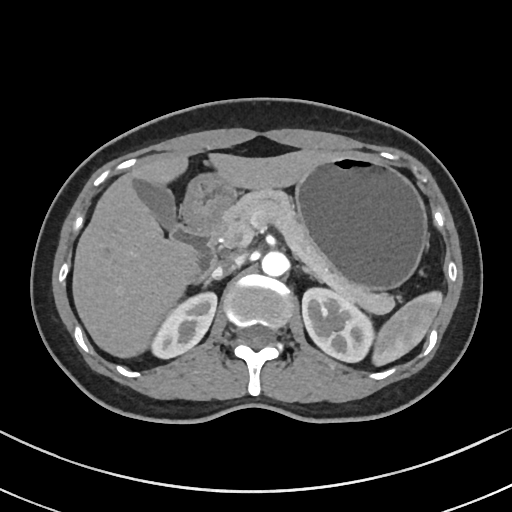

CT, abdomen/pelvis — axial view — W/L 400/40 HU
Coordinates as <box>x1,y1,x2,y2</box> in pixels.
Organ bounding boxes:
- left adrenal gland: <box>302,266,321,281</box>
- inferior vena cava: <box>211,256,242,277</box>
- spleen: <box>372,291,442,365</box>
- right kidney: <box>151,292,216,358</box>
- stomach: <box>182,154,427,290</box>
- left kidney: <box>302,288,373,361</box>
- pancreas: <box>223,188,394,314</box>
- aorta: <box>261,252,288,276</box>
- duodenum: <box>169,213,225,282</box>
- right adrenal gland: <box>198,276,212,285</box>
- liver: <box>72,149,338,358</box>
- gall bladder: <box>134,180,176,230</box>